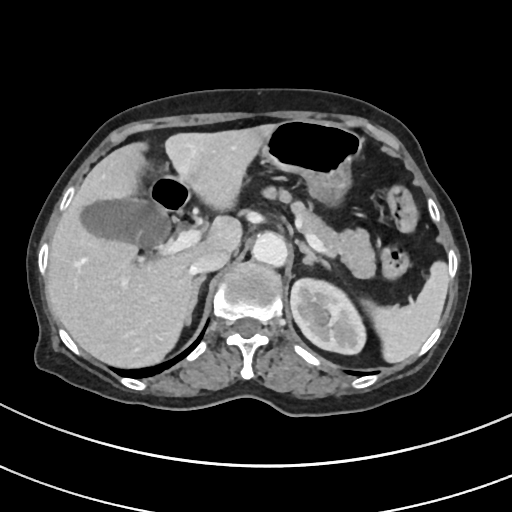

Abdominal CT — axial view — 512x512 px
{"organs":{"spleen":[362,261,448,363],"left kidney":[291,278,365,354],"gall bladder":[82,198,169,247],"liver":[46,124,275,368],"stomach":[261,120,361,207],"aorta":[252,232,287,267],"inferior vena cava":[190,250,229,273],"pancreas":[264,187,375,278],"right adrenal gland":[184,275,206,326],"left adrenal gland":[298,242,329,267],"duodenum":[151,177,189,212]}}